Abdominal CT; this slice is in the lower chest, just above the liver — axial plane, index 94 — 48-year-old female patient — Aquilion ONE scanner
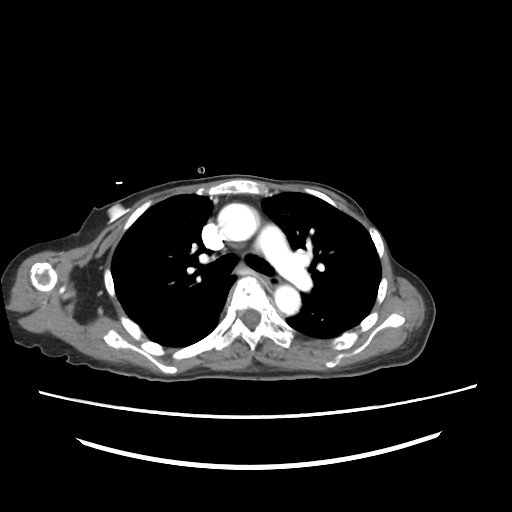 Of the structures in the chest, this dataset labels only the esophagus, the aorta and the inferior vena cava; the heart and lungs have no label.
{"organs":{"esophagus":[267,276,281,288],"aorta":[[218,203,259,241],[274,285,300,314]]}}